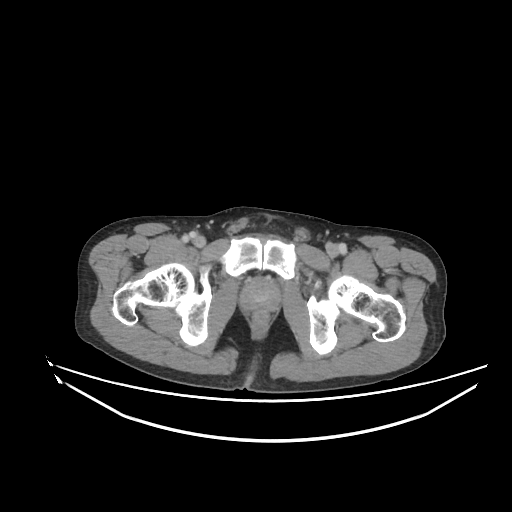
CT, abdomen/pelvis — Axial slice 13/132 — W/L 400/40 HU — 512x512 px — 47-year-old male patient
Boxes: x1 y1 x2 y2 (pixel coords, space-separated).
Organ bounding boxes:
- prostate/uterus: 241 279 278 309